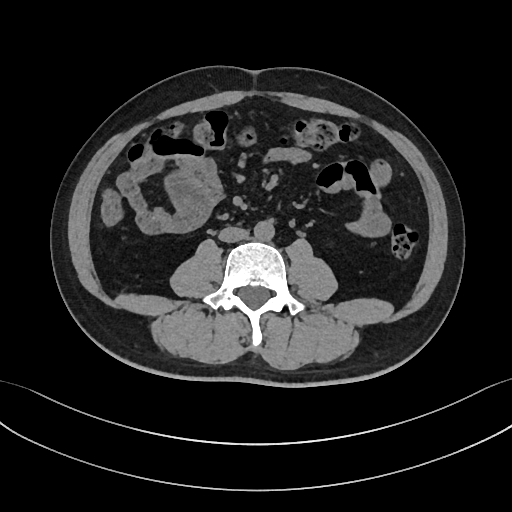

Computed tomography, abdomen. axial view. 15 organs annotated in this scan (that count is for the whole scan; organs this slice misses have no box)
<organs><organ name="inferior vena cava" x1="219" y1="226" x2="248" y2="242"/><organ name="aorta" x1="253" y1="221" x2="274" y2="241"/></organs>